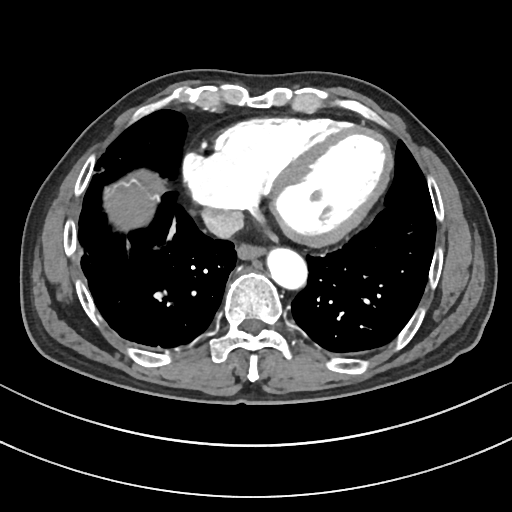 CT, abdomen/pelvis. axial view. 512x512 px
<organs><organ name="liver" x1="113" y1="186" x2="156" y2="228"/><organ name="aorta" x1="268" y1="249" x2="308" y2="291"/><organ name="esophagus" x1="237" y1="246" x2="266" y2="261"/><organ name="inferior vena cava" x1="201" y1="208" x2="243" y2="237"/></organs>